CT abdomen. axial plane, index 208. 512x512 px
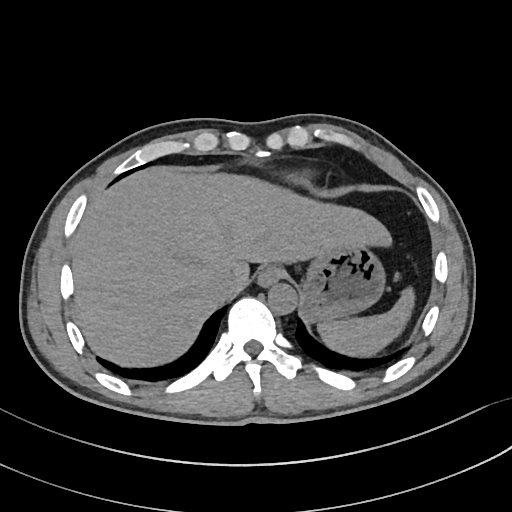
{"organs":{"spleen":[318,289,413,354],"esophagus":[257,267,280,287],"liver":[72,167,392,366],"stomach":[302,246,384,321],"aorta":[268,284,297,314],"inferior vena cava":[204,269,236,301]}}